CT abdomen — axial view — abdomen soft-tissue window — 15 organs annotated in this scan (that count is for the whole scan; organs this slice misses have no box)
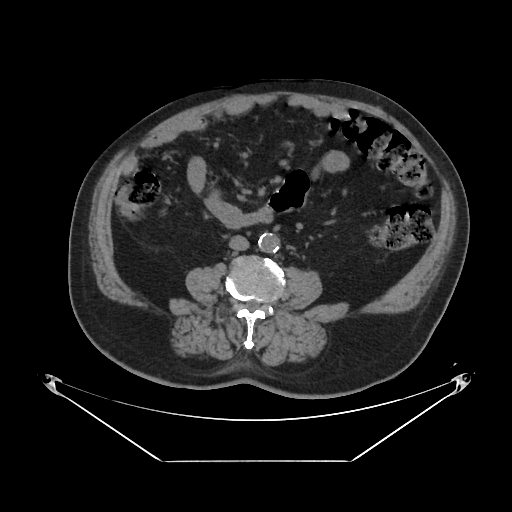

One row per box, in pixels: columns x1 and y1 give the top-left corner, x2 and y2 the bottom-right.
| organ | x1 | y1 | x2 | y2 |
|---|---|---|---|---|
| inferior vena cava | 229 | 235 | 249 | 250 |
| aorta | 260 | 234 | 280 | 253 |